Abdominal CT; axial plane, index 39; SOMATOM Force scanner
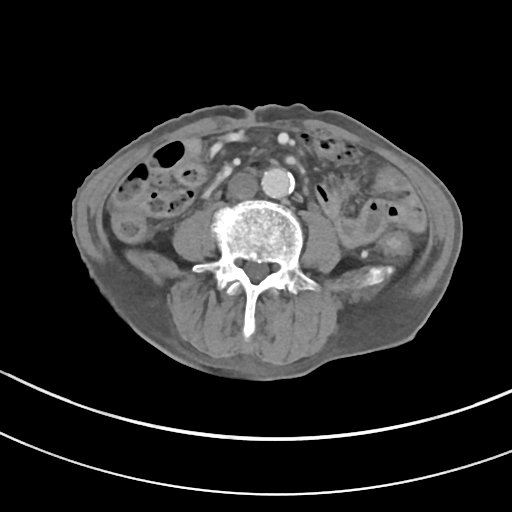

<organs><organ name="aorta" x1="261" y1="167" x2="294" y2="198"/><organ name="inferior vena cava" x1="227" y1="172" x2="258" y2="199"/></organs>